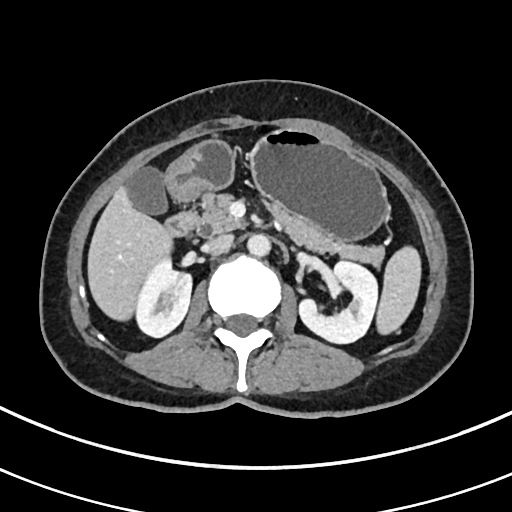
CT abdomen · axial view · abdomen soft-tissue window · 512x512 px
Each box given as x1,y1,x2,y2. The annotated organs in this slice are: spleen at x1=375, y1=249, x2=420, y2=335, right kidney at x1=137, y1=259, x2=193, y2=337, left kidney at x1=300, y1=260, x2=378, y2=342, gall bladder at x1=125, y1=167, x2=165, y2=213, liver at x1=88, y1=189, x2=171, y2=317, stomach at x1=165, y1=128, x2=386, y2=237, aorta at x1=247, y1=233, x2=270, y2=255, inferior vena cava at x1=202, y1=234, x2=233, y2=255, pancreas at x1=197, y1=194, x2=384, y2=265, duodenum at x1=161, y1=210, x2=199, y2=239.